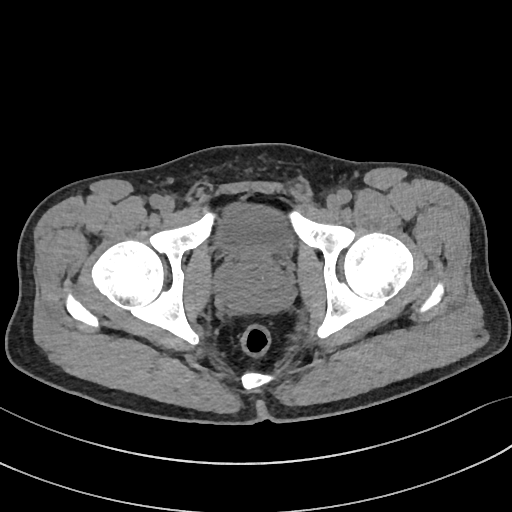

Abdominal CT. axial plane, index 31
Organ boxes in pixel coordinates; each row gives the top-left (x1, y1) and bottom-right (x2, y2) corners.
| organ | x1 | y1 | x2 | y2 |
|---|---|---|---|---|
| bladder | 217 | 203 | 291 | 256 |
| prostate/uterus | 222 | 254 | 290 | 312 |